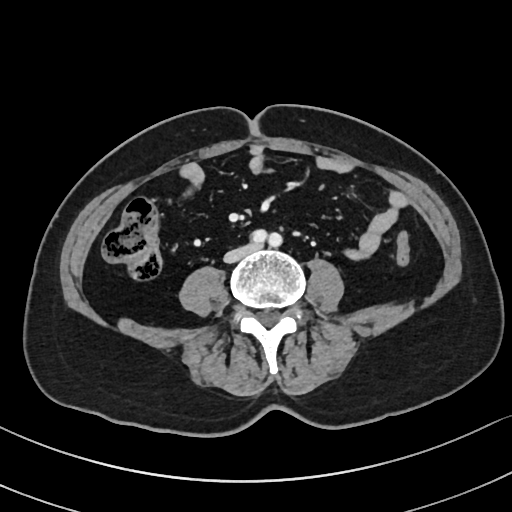 CT abdomen — axial view — W/L 400/40 HU — 512x512 px
Boxes: x1 y1 x2 y2 (pixel coords, space-separated).
Organ bounding boxes:
- inferior vena cava: 224 247 250 262